Abdominal CT. axial view
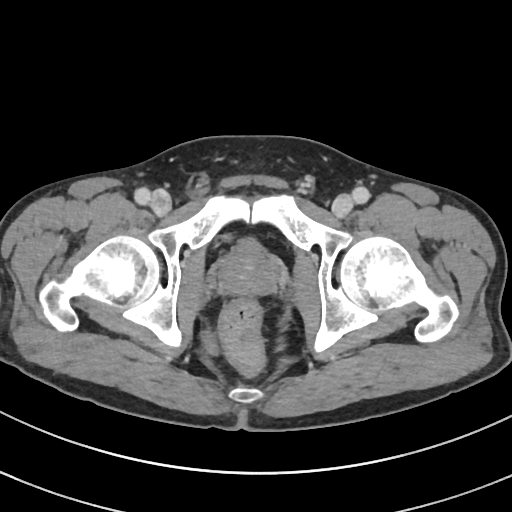

Bounding boxes in pixels, one row per box: x1, y1 is the top-left corner and x2, y2 the bottom-right.
| organ | x1 | y1 | x2 | y2 |
|---|---|---|---|---|
| prostate/uterus | 218 | 244 | 279 | 295 |